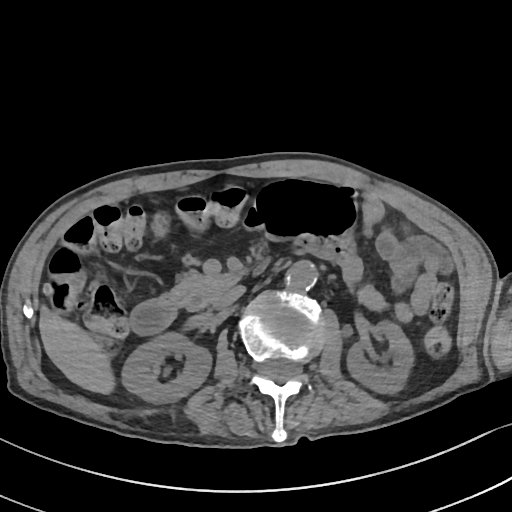

Abdominal CT — Axial slice 129/208 — soft-tissue window (W 400 / L 40)
<organs><organ name="right kidney" x1="122" y1="333" x2="211" y2="404"/><organ name="left kidney" x1="346" y1="319" x2="414" y2="394"/><organ name="liver" x1="39" y1="303" x2="114" y2="395"/><organ name="aorta" x1="283" y1="262" x2="316" y2="292"/><organ name="inferior vena cava" x1="212" y1="286" x2="244" y2="309"/><organ name="pancreas" x1="168" y1="267" x2="241" y2="310"/><organ name="duodenum" x1="129" y1="297" x2="178" y2="335"/></organs>